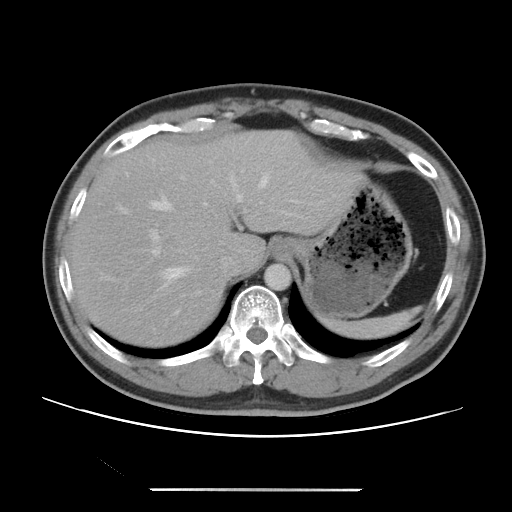

CT abdomen — axial view — 512x512 px
{"organs":{"spleen":[319,306,421,339],"esophagus":[271,239,294,257],"liver":[68,129,367,347],"stomach":[273,181,412,319],"aorta":[264,263,291,290],"inferior vena cava":[218,252,243,276]}}